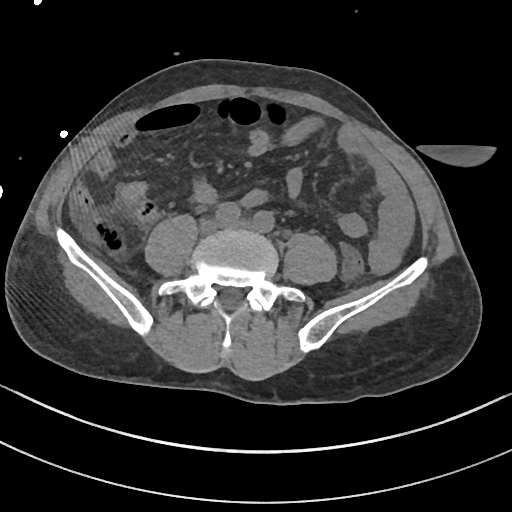
Abdominal CT · Axial slice 104/252
Bounding boxes as [x1, y1, x2, y2] in pixel coordinates.
Organ bounding boxes:
- aorta: [220, 222, 261, 230]